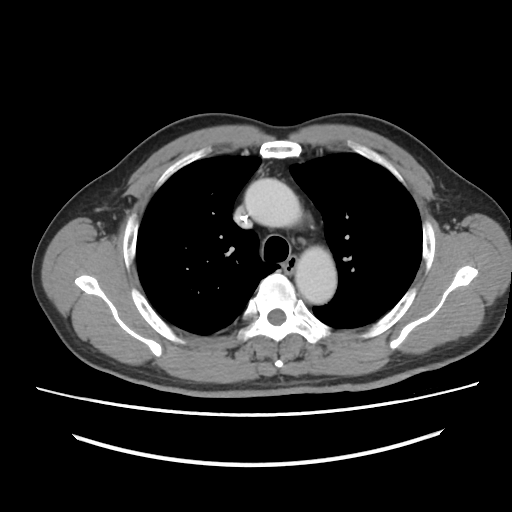

CT of the abdomen extending into the chest, slice through the chest; Axial slice 108/124; 512x512 px; 14 organs annotated in this scan (that count is for the whole scan; organs this slice misses have no box)
At this level of the chest this dataset labels only the esophagus and the aorta, and each is boxed only where it is labeled; the heart and lungs are never labeled.
Bounding boxes in pixels, one row per box: x1, y1 is the top-left corner and x2, y2 the bottom-right.
| organ | x1 | y1 | x2 | y2 |
|---|---|---|---|---|
| aorta | 245 | 178 | 301 | 227 |
| aorta | 295 | 246 | 336 | 303 |
| esophagus | 284 | 257 | 296 | 272 |